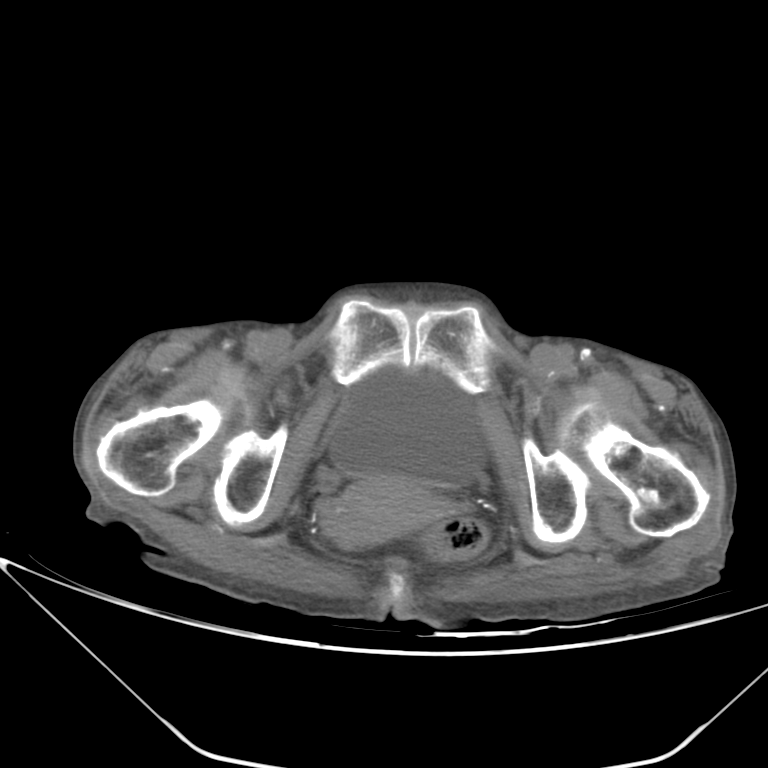
CT, abdomen/pelvis. Axial slice 13/88. Brilliance16 scanner. 14 organs annotated in this scan (counted over the whole 3D scan, not this slice; an organ is boxed only where this slice passes through it)
{"organs":{"prostate/uterus":[325,475,438,547],"bladder":[328,366,482,485]}}